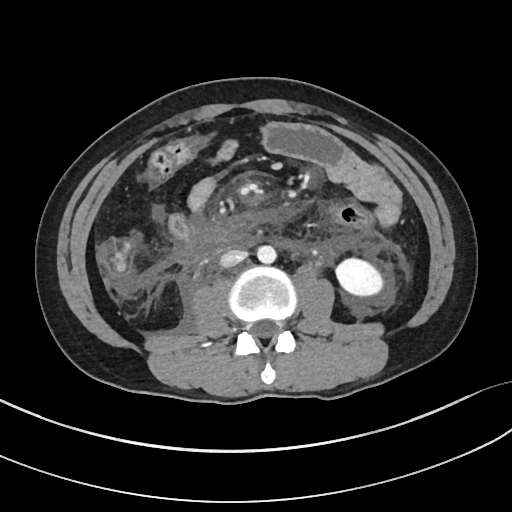

CT, abdomen/pelvis. axial view. soft-tissue window (W 400 / L 40). 512x512 px
<organs><organ name="left kidney" x1="334" y1="257" x2="382" y2="294"/><organ name="aorta" x1="256" y1="245" x2="276" y2="263"/><organ name="inferior vena cava" x1="220" y1="249" x2="247" y2="267"/><organ name="duodenum" x1="187" y1="228" x2="223" y2="248"/></organs>